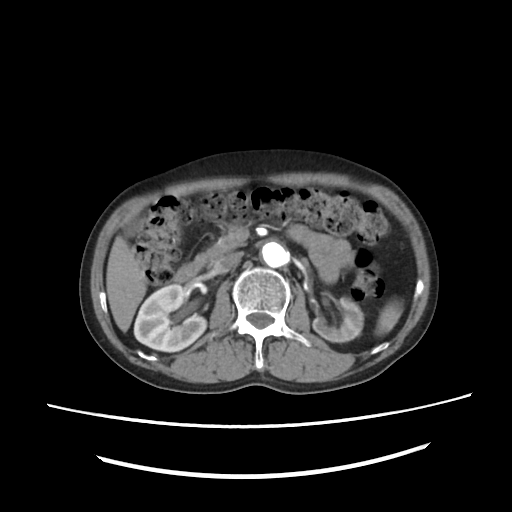 Abdominal CT; axial view; abdomen soft-tissue window; 512x512 px
{"organs":{"spleen":[375,307,401,335],"right kidney":[134,284,206,351],"left kidney":[314,298,363,343],"gall bladder":[124,219,143,236],"liver":[107,236,146,331],"aorta":[262,240,288,266],"inferior vena cava":[214,252,244,272],"pancreas":[195,225,244,266],"duodenum":[175,263,198,281]}}